CT, abdomen/pelvis · Axial slice 84/97 · 25-year-old male patient · 15 organs annotated in this scan (a whole-scan count: organs this slice does not pass through have no box)
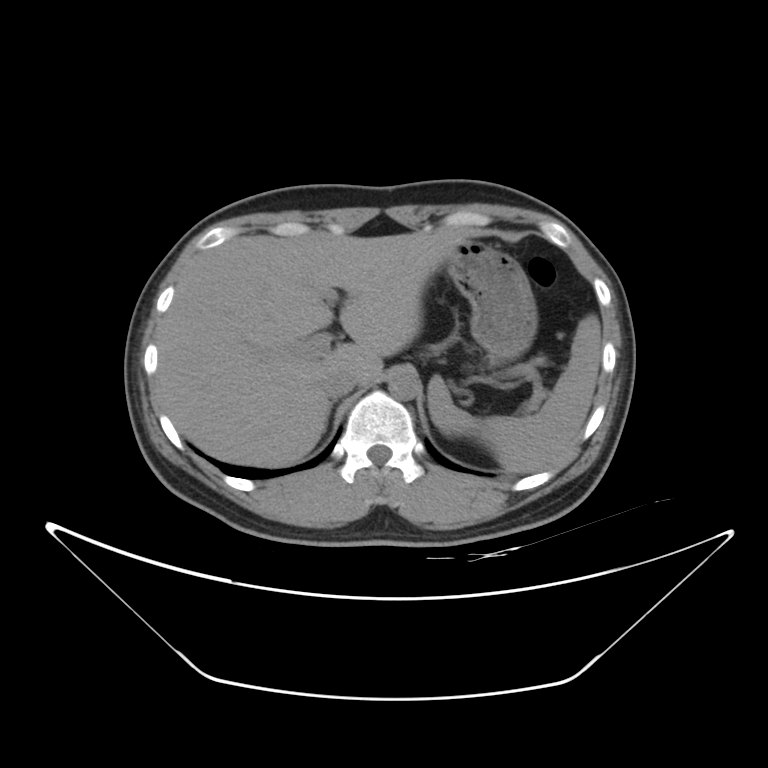 <organs><organ name="liver" x1="157" y1="227" x2="468" y2="466"/><organ name="aorta" x1="389" y1="370" x2="418" y2="399"/><organ name="stomach" x1="443" y1="239" x2="537" y2="361"/><organ name="spleen" x1="427" y1="315" x2="600" y2="471"/><organ name="inferior vena cava" x1="321" y1="368" x2="358" y2="398"/></organs>